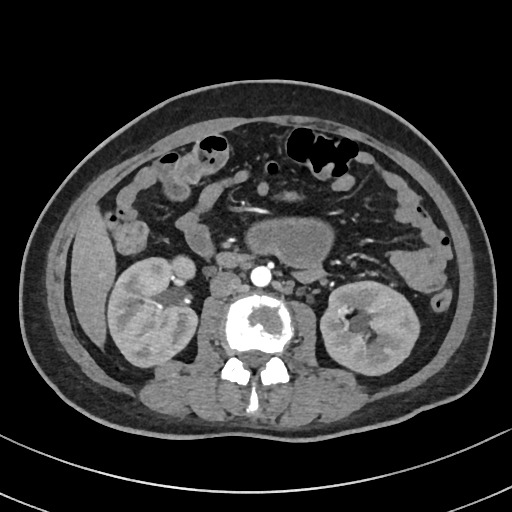 Computed tomography, abdomen · axial view · 512x512 px · SOMATOM Force scanner · 15 organs annotated in this scan (that count is for the whole scan; organs this slice misses have no box)
<organs><organ name="right kidney" x1="107" y1="255" x2="197" y2="367"/><organ name="left kidney" x1="320" y1="281" x2="419" y2="375"/><organ name="liver" x1="70" y1="206" x2="116" y2="347"/><organ name="aorta" x1="251" y1="266" x2="271" y2="287"/><organ name="inferior vena cava" x1="210" y1="271" x2="241" y2="297"/><organ name="duodenum" x1="217" y1="252" x2="245" y2="267"/></organs>